CT, abdomen/pelvis. Axial slice 206/234. soft-tissue window
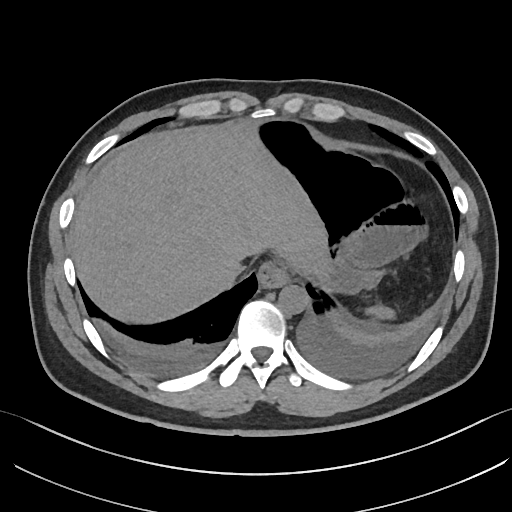
Each box given as x1,y1,x2,y2. 6 labeled organs on this slice — spleen at x1=365, y1=305, x2=395, y2=319; esophagus at x1=258, y1=261, x2=289, y2=287; stomach at x1=254, y1=120, x2=403, y2=293; inferior vena cava at x1=214, y1=260, x2=244, y2=286; aorta at x1=278, y1=284, x2=308, y2=315; liver at x1=69, y1=123, x2=327, y2=323.